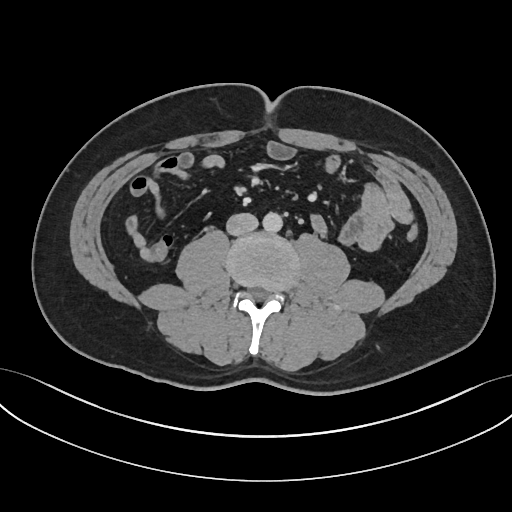 Abdominal CT; Axial slice 132/345
<organs><organ name="aorta" x1="262" y1="212" x2="282" y2="232"/><organ name="inferior vena cava" x1="226" y1="213" x2="258" y2="235"/></organs>